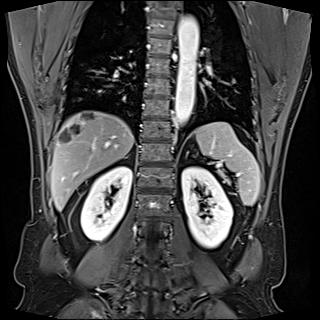

Abdominal MRI. coronal plane, index 16. 1st–99th percentile window. 320x320 px. Prisma scanner. scan has 13 labeled organs (a whole-scan count: organs this slice does not pass through have no box)
Coordinates as <box>x1,y1,x2,y2</box> in pixels.
Organ bounding boxes:
- aorta: <box>175,16,198,125</box>
- right kidney: <box>81,166,131,241</box>
- liver: <box>50,111,134,211</box>
- spleen: <box>195,121,260,205</box>
- pancreas: <box>213,170,230,183</box>
- left kidney: <box>181,166,232,248</box>